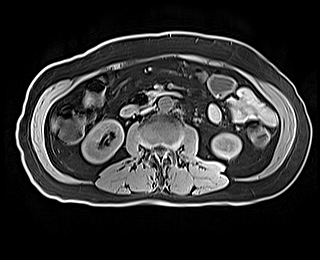

Abdominal MRI · axial plane, index 10 · percentile-normalized · 320x260 px · Prisma scanner · 13 organs annotated in this scan (counted over the whole 3D scan, not this slice; an organ is boxed only where this slice passes through it)
Organ boxes in pixel coordinates; each row gives the top-left (x1, y1) and bottom-right (x2, y2) corners.
| organ | x1 | y1 | x2 | y2 |
|---|---|---|---|---|
| right kidney | 82 | 119 | 123 | 163 |
| left kidney | 211 | 133 | 241 | 159 |
| liver | 51 | 118 | 55 | 129 |
| aorta | 158 | 96 | 173 | 111 |
| inferior vena cava | 141 | 107 | 151 | 113 |
| duodenum | 121 | 92 | 182 | 115 |